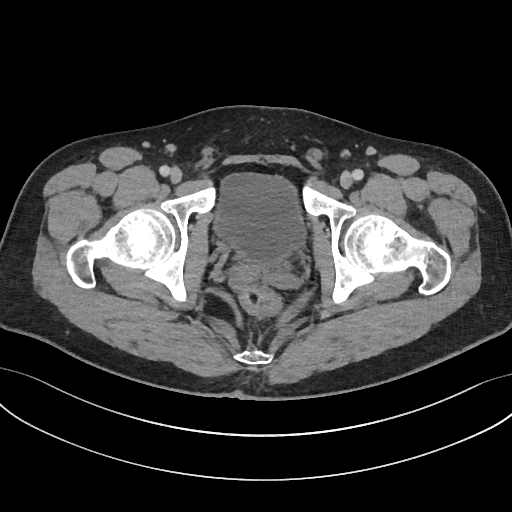

CT, abdomen/pelvis — axial view — W/L 400/40 HU — 512x512 px — SOMATOM Force scanner — 15 organs annotated in this scan (a whole-scan count: organs this slice does not pass through have no box)
Each box given as x1,y1,x2,y2.
bladder: x1=213, y1=173, x2=306, y2=265